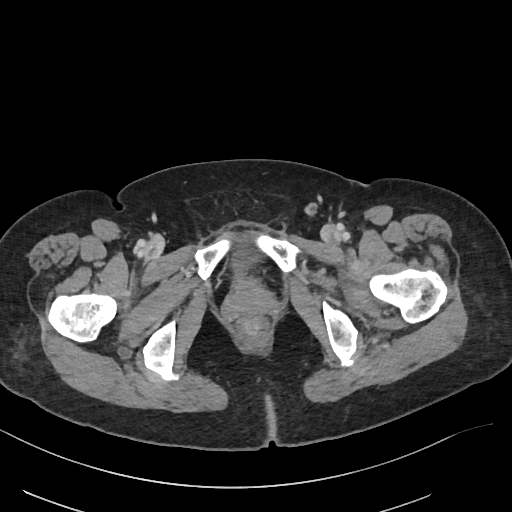 Abdominal CT · axial view · abdomen soft-tissue window
Coordinates as <box>x1,y1,x2,y2</box> in pixels. Labeled organs on this slice: bladder at <box>230,246,256,274</box>.